CT abdomen · axial view · 512x512 px · scan has 15 labeled organs (counted over the whole 3D scan, not this slice; an organ is boxed only where this slice passes through it)
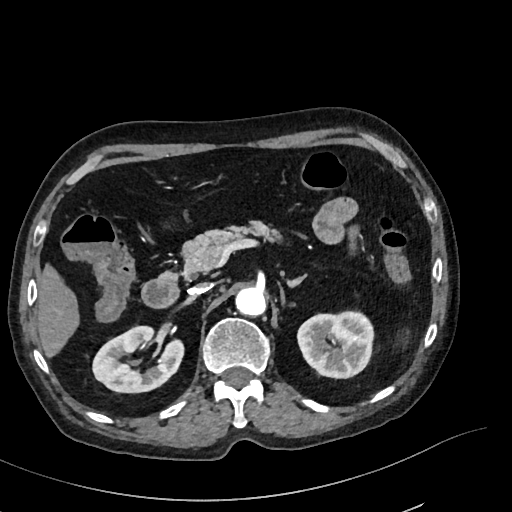 Bounding boxes in pixels, one row per box: x1, y1 is the top-left corner and x2, y2 the bottom-right.
| organ | x1 | y1 | x2 | y2 |
|---|---|---|---|---|
| right kidney | 92 | 326 | 184 | 393 |
| left kidney | 297 | 311 | 374 | 377 |
| liver | 37 | 267 | 78 | 356 |
| aorta | 236 | 285 | 266 | 314 |
| inferior vena cava | 189 | 282 | 212 | 294 |
| pancreas | 179 | 222 | 280 | 279 |
| left adrenal gland | 287 | 274 | 304 | 285 |
| duodenum | 141 | 272 | 180 | 308 |